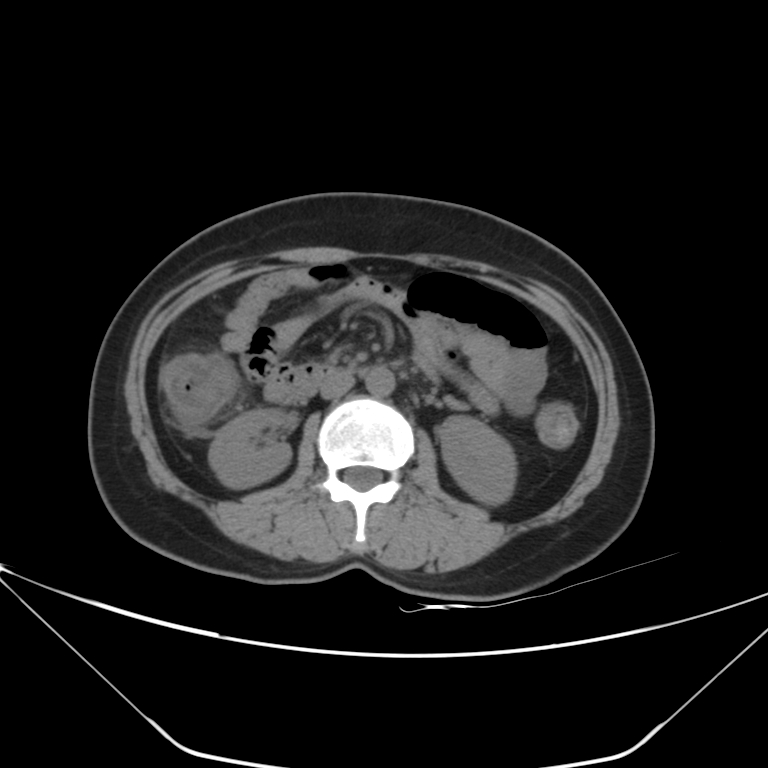

Computed tomography, abdomen · axial view · 768x768 px · 15 organs annotated in this scan (a whole-scan count: organs this slice does not pass through have no box)
{"organs":{"right kidney":[208,409,291,488],"left kidney":[438,415,515,504],"aorta":[365,367,394,396],"inferior vena cava":[319,371,355,399],"duodenum":[283,374,335,403]}}